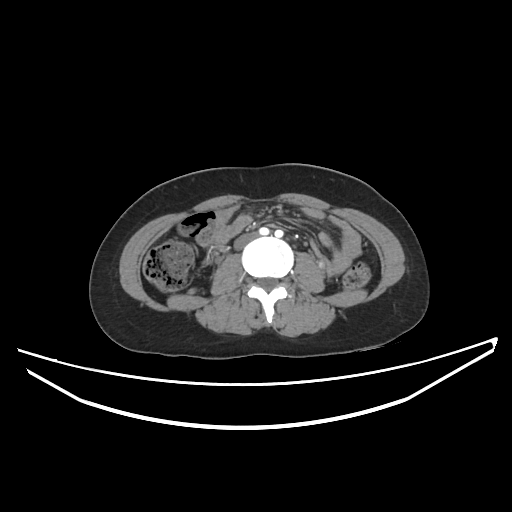
Abdominal CT — Axial slice 48/126 — soft-tissue window — 512x512 px
Bounding boxes in pixels, one row per box: x1, y1 is the top-left corner and x2, y2 the bottom-right.
| organ | x1 | y1 | x2 | y2 |
|---|---|---|---|---|
| inferior vena cava | 234 | 234 | 255 | 250 |